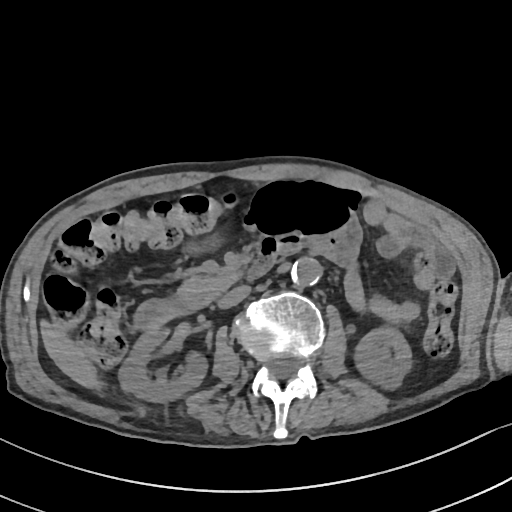

CT, abdomen/pelvis. axial view. abdomen soft-tissue window. scan has 15 labeled organs (that count is for the whole scan; organs this slice misses have no box)
Bounding boxes as [x1, y1, x2, y2] in pixel coordinates. The annotated organs in this slice are: right kidney at [119, 328, 207, 402], left kidney at [354, 326, 411, 388], liver at [41, 321, 98, 387], aorta at [291, 257, 321, 286], inferior vena cava at [218, 285, 250, 308], pancreas at [177, 269, 241, 308], duodenum at [134, 239, 297, 329].